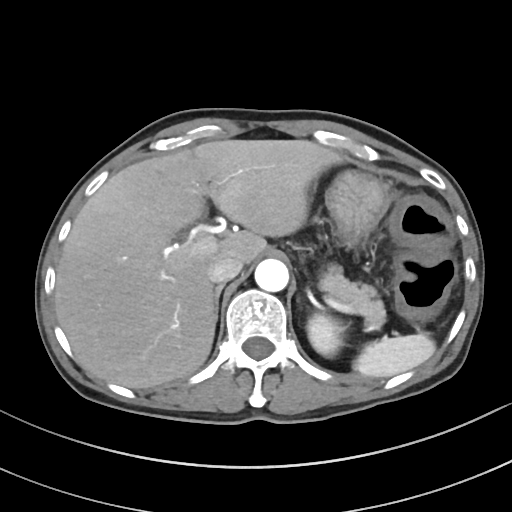
Abdominal CT · axial view · soft-tissue window (W 400 / L 40)
{"organs":{"spleen":[353,333,435,377],"left kidney":[307,313,346,357],"liver":[54,139,342,388],"stomach":[325,170,388,248],"aorta":[254,259,288,292],"inferior vena cava":[207,256,242,283],"pancreas":[319,263,386,329],"right adrenal gland":[214,284,223,318]}}